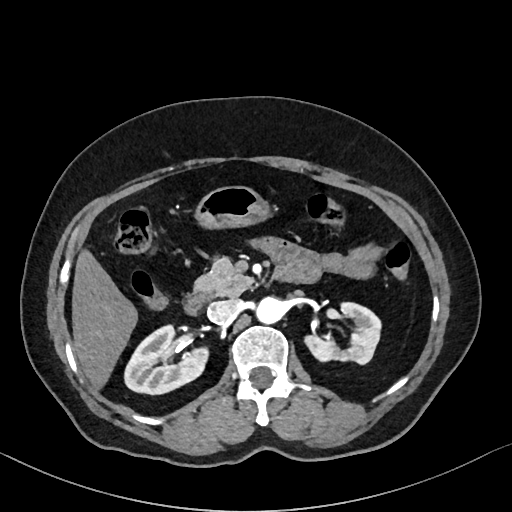

CT, abdomen/pelvis. axial view. 512x512 px. scan has 15 labeled organs (counted over the whole 3D scan, not this slice; an organ is boxed only where this slice passes through it)
Bounding boxes as [x1, y1, x2, y2] in pixel coordinates.
pancreas: [194, 257, 253, 296]
left kidney: [304, 302, 381, 364]
duodenum: [184, 293, 209, 315]
right kidney: [124, 325, 208, 394]
liver: [72, 249, 137, 390]
stomach: [195, 186, 271, 229]
aorta: [256, 296, 285, 323]
inferior vena cava: [207, 299, 239, 322]